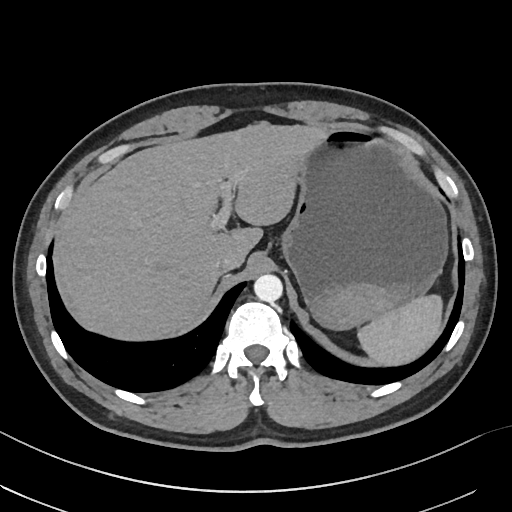 Abdominal CT — Axial slice 180/307 — abdomen soft-tissue window — SOMATOM Force scanner — scan has 15 labeled organs (a whole-scan count: organs this slice does not pass through have no box)
Organ boxes in pixel coordinates; each row gives the top-left (x1, y1) and bottom-right (x2, y2) corners.
| organ | x1 | y1 | x2 | y2 |
|---|---|---|---|---|
| spleen | 359 | 294 | 442 | 367 |
| liver | 59 | 121 | 323 | 342 |
| stomach | 283 | 128 | 448 | 330 |
| aorta | 254 | 273 | 283 | 301 |
| inferior vena cava | 210 | 253 | 238 | 274 |